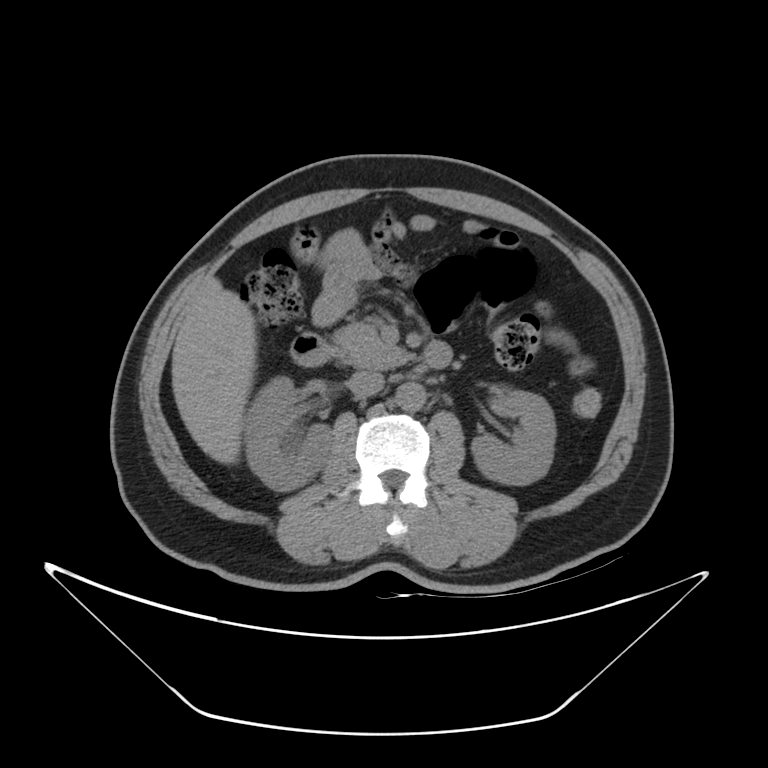 Abdominal CT. axial plane, index 57
Boxes are (x1, y1, x2, y2) in pixels.
inferior vena cava: (347, 370, 384, 398)
duodenum: (290, 333, 452, 368)
aorta: (395, 383, 425, 410)
left kidney: (471, 388, 555, 485)
right kidney: (244, 375, 332, 490)
pancreas: (332, 322, 410, 368)
liver: (171, 277, 256, 464)